CT, abdomen/pelvis. axial view. soft-tissue window (W 400 / L 40). 768x768 px
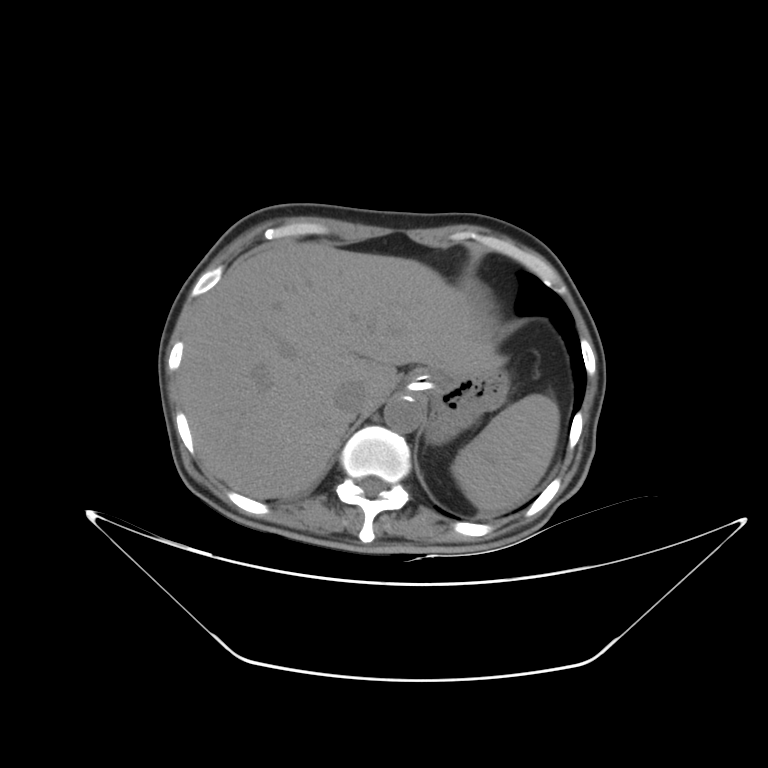
Boxes: x1:y1:x2:y2 in pixels. The annotated organs in this slice are: spleen at 451:394:559:511, liver at 178:242:501:498, stomach at 405:368:509:444, aorta at 384:395:423:432, inferior vena cava at 333:381:367:419.